CT, abdomen/pelvis. axial view
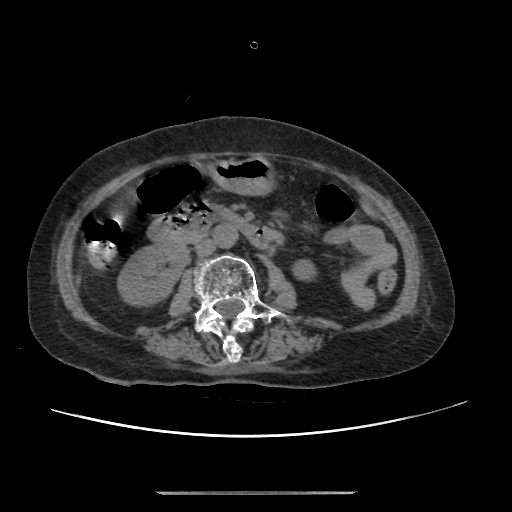

{"organs":{"right kidney":[118,244,187,304],"left kidney":[294,260,314,278],"stomach":[210,157,272,194],"aorta":[214,224,238,247],"inferior vena cava":[195,239,216,256],"duodenum":[151,199,269,248]}}